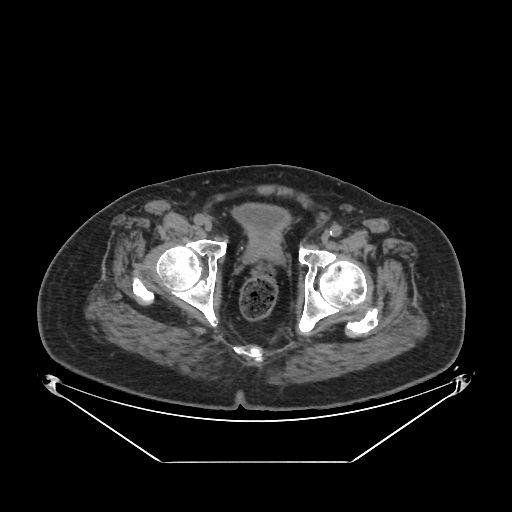
CT abdomen · axial plane, index 40 · 512x512 px · acquired on SOMATOM Force · 15 organs annotated in this scan (counted over the whole 3D scan, not this slice; an organ is boxed only where this slice passes through it)
Coordinates as <box>x1,y1,x2,y2</box> in pixels.
Organ bounding boxes:
- bladder: <box>233,203,290,236</box>
- prostate/uterus: <box>249,236,281,257</box>